CT of the abdomen reaching into the lower chest, slice just above the liver and spleen; axial view; 768x768 px; Brilliance16 scanner
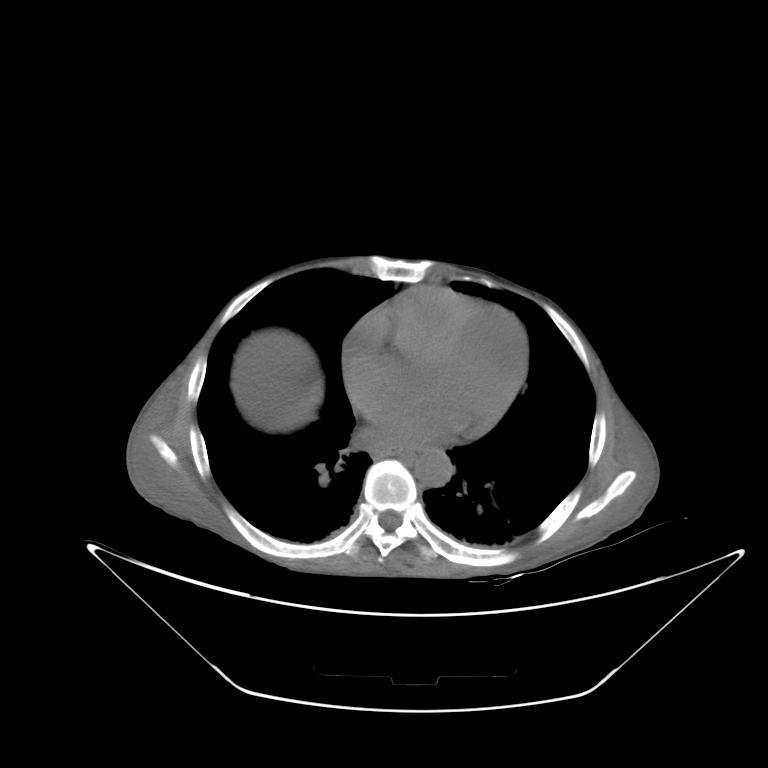

No part of the heart or lungs is labeled in this dataset, so neither has a box here.
{"organs":{"esophagus":[373,446,416,461],"aorta":[414,449,453,487]}}